CT, abdomen/pelvis · axial view · abdomen soft-tissue window · acquired on SOMATOM Force
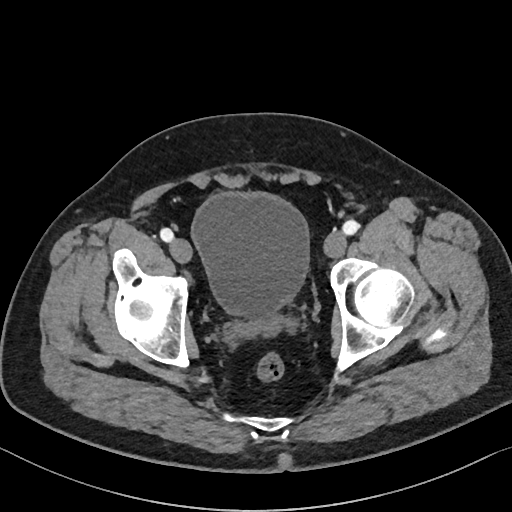
Bounding boxes in pixels, one row per box: x1, y1 is the top-left corner and x2, y2 the bottom-right.
| organ | x1 | y1 | x2 | y2 |
|---|---|---|---|---|
| bladder | 191 | 192 | 309 | 317 |